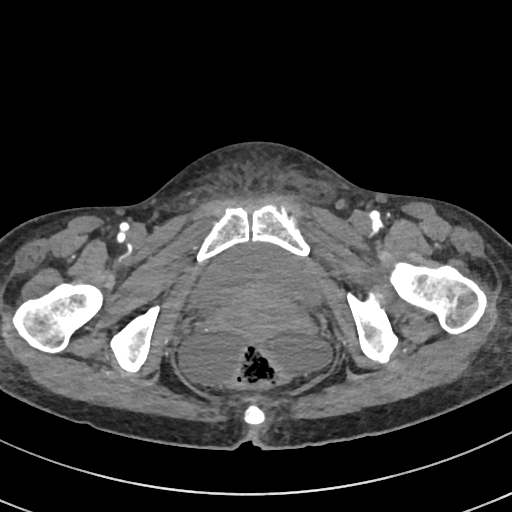 CT, abdomen/pelvis. axial view. 512x512 px. SOMATOM Force scanner
{"organs":{"bladder":[191,242,319,306],"prostate/uterus":[219,285,294,338]}}